CT, abdomen/pelvis · axial view
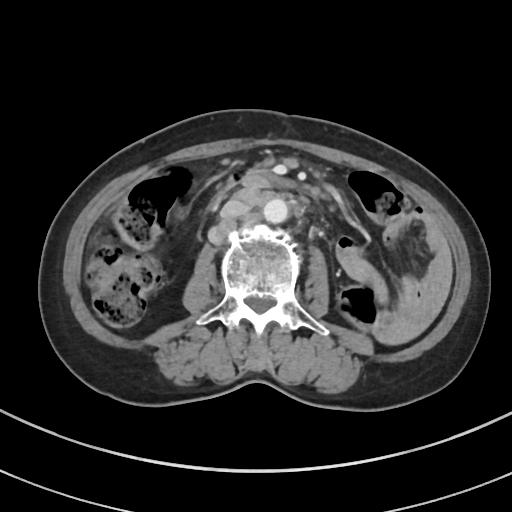

Boxes: x1 y1 x2 y2 (pixel coords, space-separated).
Organ bounding boxes:
- aorta: 263 198 288 223
- inferior vena cava: 220 199 250 218
- duodenum: 209 166 296 209